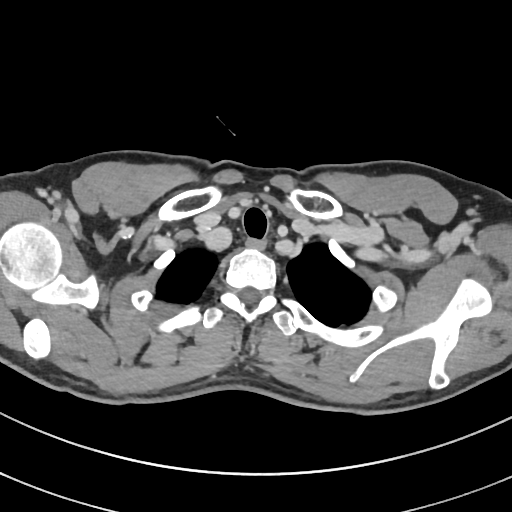
Abdominal CT reaching into the chest; this slice is in the chest · Axial slice 281/298 · soft-tissue window (W 400 / L 40) · 512x512 px · SOMATOM Force scanner
At this level of the chest this dataset labels only the esophagus and the aorta, and each is boxed only where it is labeled; the heart and lungs are never labeled.
Boxes: x1:y1:x2:y2 in pixels.
Organ bounding boxes:
- esophagus: 245:237:267:249